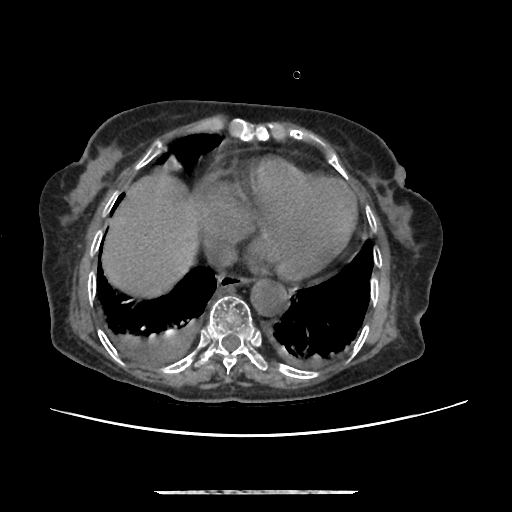 CT abdomen. axial view. soft-tissue window. 512x512 px. 14 organs annotated in this scan (counted over the whole 3D scan, not this slice; an organ is boxed only where this slice passes through it)
Bounding boxes as [x1, y1, x2, y2] in pixel coordinates. The annotated organs in this slice are: esophagus at [217, 272, 249, 288], liver at [102, 173, 196, 296], aorta at [250, 279, 287, 315], inferior vena cava at [208, 243, 236, 265].